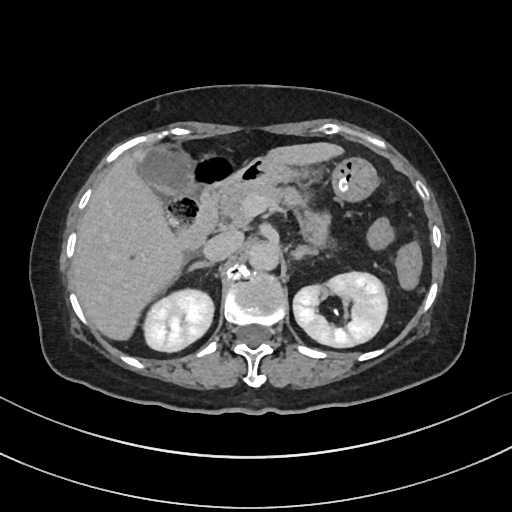

CT, abdomen/pelvis — axial view — soft-tissue window — 15 organs annotated in this scan (a whole-scan count: organs this slice does not pass through have no box)
Each box given as x1,y1,x2,y2. 11 labeled organs on this slice — right kidney at x1=145, y1=290, x2=214, y2=352; left kidney at x1=293, y1=270, x2=387, y2=347; gall bladder at x1=140, y1=149, x2=188, y2=193; liver at x1=71, y1=143, x2=341, y2=338; stomach at x1=246, y1=156, x2=377, y2=200; aorta at x1=247, y1=240, x2=278, y2=270; inferior vena cava at x1=203, y1=230, x2=243, y2=260; pancreas at x1=217, y1=182, x2=323, y2=249; right adrenal gland at x1=188, y1=260, x2=210, y2=270; left adrenal gland at x1=293, y1=245, x2=314, y2=258; duodenum at x1=176, y1=160, x2=262, y2=251.